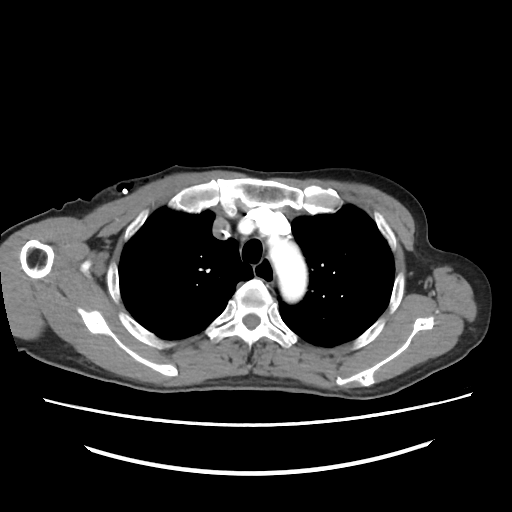
Chest-level CT slice, above the liver and spleen · axial view · W/L 400/40 HU · 14 organs annotated in this scan (that count is for the whole scan; organs this slice misses have no box)
On a slice this high in the chest, this dataset labels only the esophagus and the aorta, and each is boxed only where it is labeled; the heart, lungs and other chest structures are not labeled.
<organs><organ name="esophagus" x1="254" y1="258" x2="280" y2="288"/><organ name="aorta" x1="266" y1="236" x2="307" y2="301"/></organs>